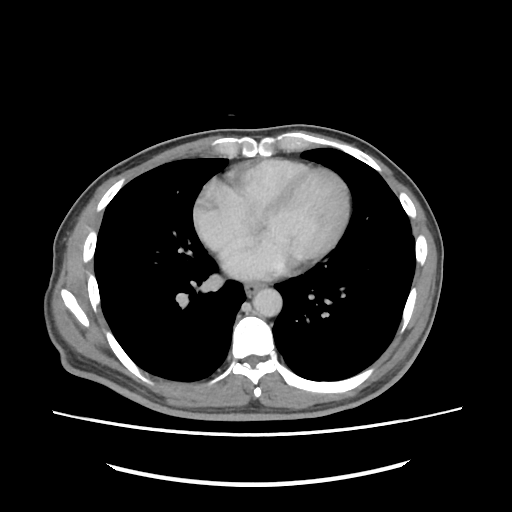
Abdominal CT; this slice is in the lower chest, just above the liver; Axial slice 93/123
The heart and lungs are never labeled in this dataset, so they have no box on this slice.
One row per box, in pixels: columns x1 and y1 give the top-left corner, x2 and y2 the bottom-right.
| organ | x1 | y1 | x2 | y2 |
|---|---|---|---|---|
| esophagus | 245 | 282 | 264 | 295 |
| aorta | 252 | 288 | 282 | 316 |